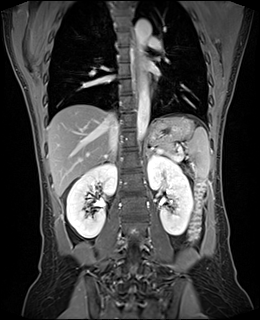

Abdominal MRI. coronal view. 260x320 px
<organs><organ name="left adrenal gland" x1="147" y1="148" x2="154" y2="157"/><organ name="aorta" x1="136" y1="81" x2="149" y2="140"/><organ name="aorta" x1="135" y1="19" x2="151" y2="54"/><organ name="liver" x1="47" y1="104" x2="110" y2="197"/><organ name="spleen" x1="185" y1="127" x2="210" y2="178"/><organ name="right kidney" x1="66" y1="163" x2="116" y2="238"/><organ name="stomach" x1="148" y1="116" x2="192" y2="143"/><organ name="inferior vena cava" x1="108" y1="113" x2="119" y2="153"/><organ name="pancreas" x1="160" y1="142" x2="174" y2="154"/><organ name="esophagus" x1="132" y1="36" x2="139" y2="93"/><organ name="right adrenal gland" x1="112" y1="158" x2="114" y2="159"/><organ name="left kidney" x1="148" y1="155" x2="193" y2="235"/></organs>